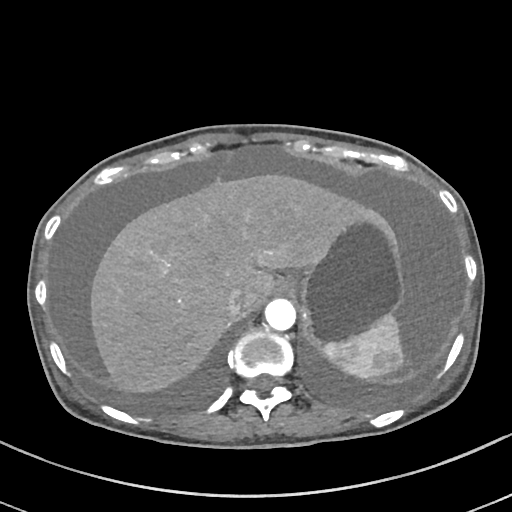

CT abdomen. axial plane, index 192. soft-tissue window (W 400 / L 40). 512x512 px. SOMATOM Force scanner. 15 organs annotated in this scan (a whole-scan count: organs this slice does not pass through have no box)
Bounding boxes in pixels, one row per box: x1, y1 is the top-left corner and x2, y2 the bottom-right.
| organ | x1 | y1 | x2 | y2 |
|---|---|---|---|---|
| esophagus | 277 | 280 | 294 | 294 |
| inferior vena cava | 226 | 287 | 247 | 316 |
| stomach | 289 | 222 | 402 | 346 |
| aorta | 265 | 299 | 296 | 331 |
| liver | 91 | 175 | 401 | 392 |
| spleen | 323 | 315 | 402 | 377 |